CT, abdomen/pelvis. axial plane, index 84
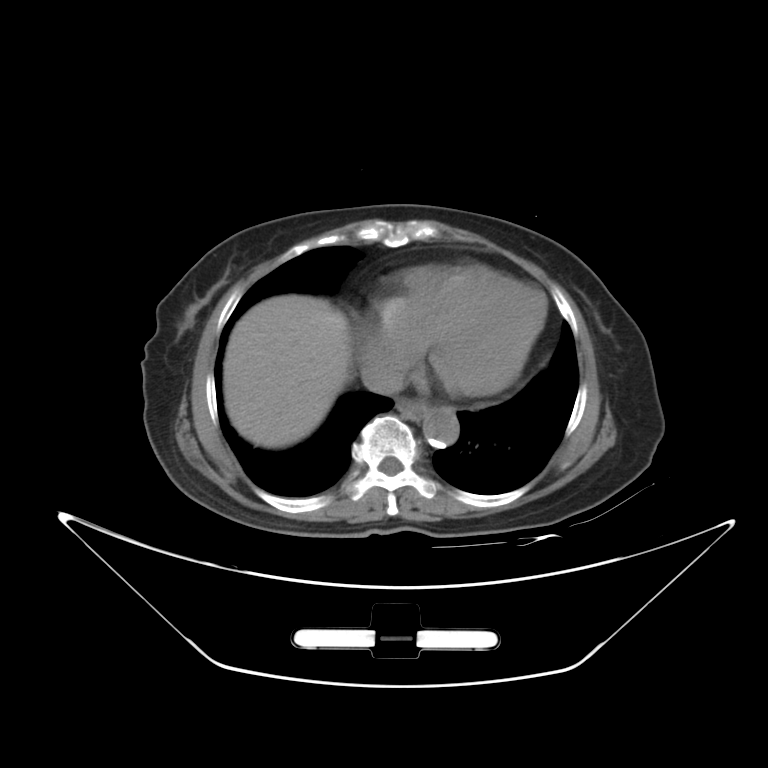 Bounding boxes as [x1, y1, x2, y2] in pixel coordinates. 4 labeled organs on this slice — esophagus at [395, 399, 427, 419]; liver at [223, 295, 351, 447]; aorta at [423, 407, 459, 447]; inferior vena cava at [361, 361, 404, 395].